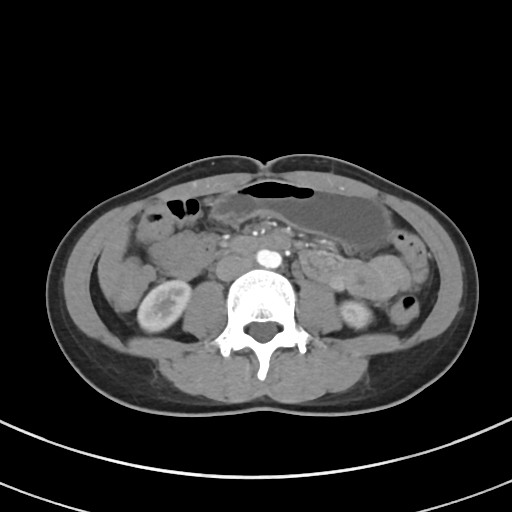

CT abdomen. Axial slice 45/121. 512x512 px
{"organs":{"right kidney":[137,280,190,331],"left kidney":[340,301,371,328],"liver":[98,223,129,299],"stomach":[212,179,389,248],"aorta":[257,250,281,267],"inferior vena cava":[216,254,252,280]}}